Lower-chest slice from an abdominal CT, just above the liver and spleen. axial view. W/L 400/40 HU. 768x768 px. 55-year-old male patient. 15 organs annotated in this scan (that count is for the whole scan; organs this slice misses have no box)
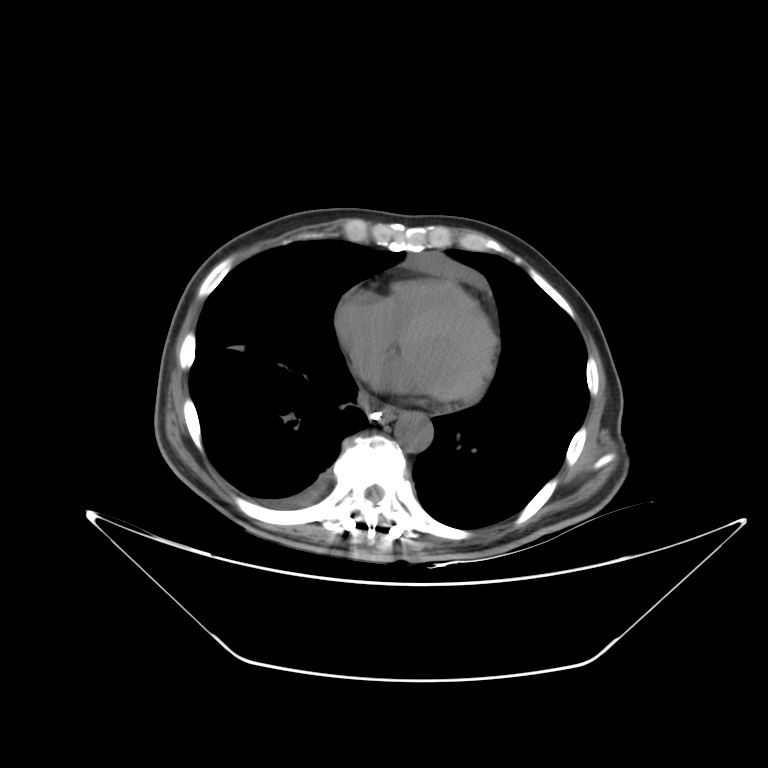

Of the structures in the chest, this dataset labels only the esophagus, the aorta and the inferior vena cava; the heart and lungs have no label.
{"organs":{"aorta":[395,413,432,451],"esophagus":[370,407,394,422]}}